Computed tomography, abdomen — axial view — soft-tissue window
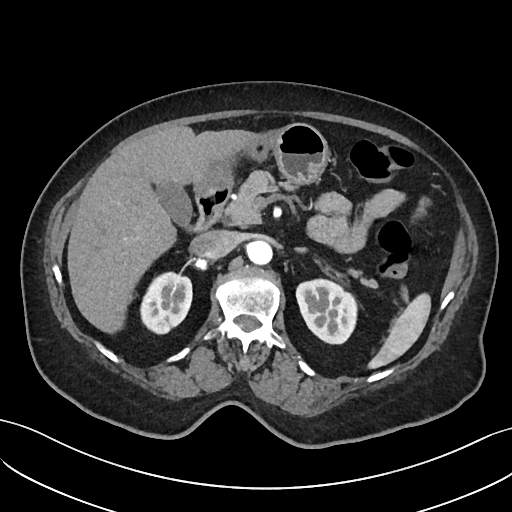

Coordinates as <box>x1,y1,x2,y2</box> in pixels.
Organ bounding boxes:
- spleen: <box>368,291,431,369</box>
- right kidney: <box>141,273,192,333</box>
- pancreas: <box>223,171,378,287</box>
- inferior vena cava: <box>190,230,237,259</box>
- aorta: <box>248,241,273,265</box>
- gall bladder: <box>155,183,192,228</box>
- left kidney: <box>294,278,356,343</box>
- left adrenal gland: <box>293,248,307,253</box>
- duodenum: <box>192,181,231,230</box>
- right adrenal gland: <box>194,258,208,270</box>
- liver: <box>67,126,262,333</box>
- stomach: <box>204,124,328,186</box>